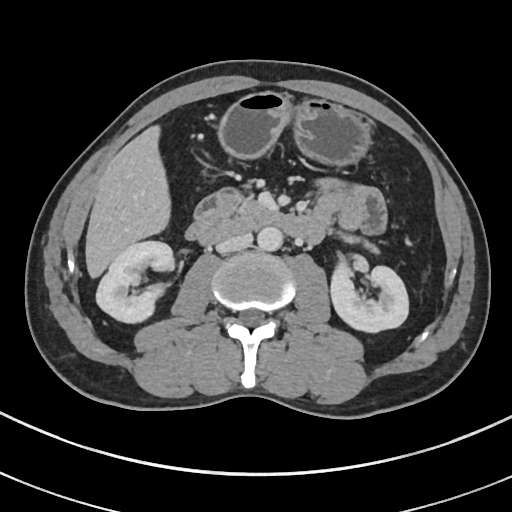
CT abdomen; axial view; abdomen soft-tissue window
Boxes are (x1, y1, x2, y2) in pixels.
right kidney: (96, 241, 175, 323)
left kidney: (329, 260, 408, 333)
liver: (84, 123, 169, 279)
stomach: (216, 89, 372, 165)
aorta: (256, 227, 282, 251)
inferior vena cava: (216, 232, 251, 253)
pancreas: (235, 192, 379, 255)
duodenum: (185, 188, 324, 245)